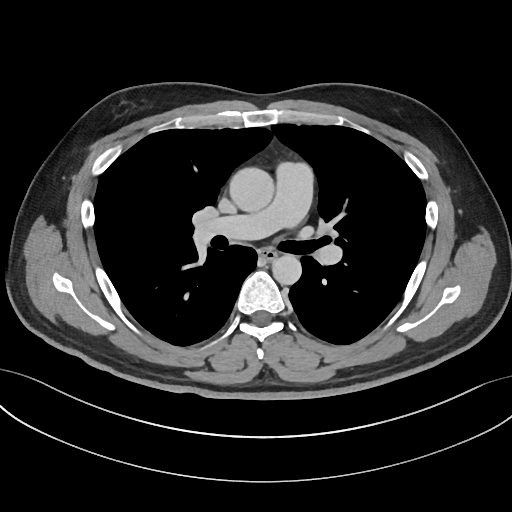
Chest-level CT slice, above the liver and spleen — axial view — 512x512 px — 15 organs annotated in this scan (that count is for the whole scan; organs this slice misses have no box)
At this level of the chest this dataset labels only the esophagus and the aorta, and each is boxed only where it is labeled; the heart and lungs are never labeled.
<organs><organ name="esophagus" x1="259" y1="247" x2="276" y2="260"/><organ name="aorta" x1="229" y1="167" x2="274" y2="212"/><organ name="aorta" x1="272" y1="254" x2="301" y2="284"/></organs>